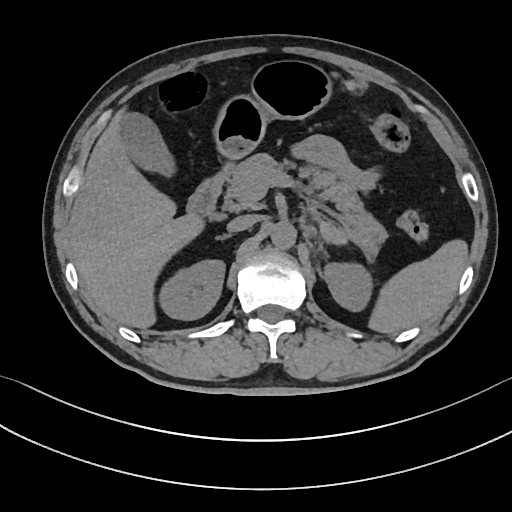 CT abdomen. axial view
Boxes are (x1, y1, x2, y2) in pixels. 11 labeled organs on this slice — inferior vena cava at (227, 214, 259, 232); stomach at (216, 60, 329, 157); duodenum at (185, 163, 233, 219); spleen at (371, 241, 467, 333); gall bladder at (117, 112, 173, 173); right kidney at (162, 258, 226, 319); right adrenal gland at (220, 234, 229, 238); liver at (68, 112, 202, 327); aorta at (270, 221, 296, 248); left kidney at (322, 260, 370, 312); pancreas at (223, 154, 386, 244).